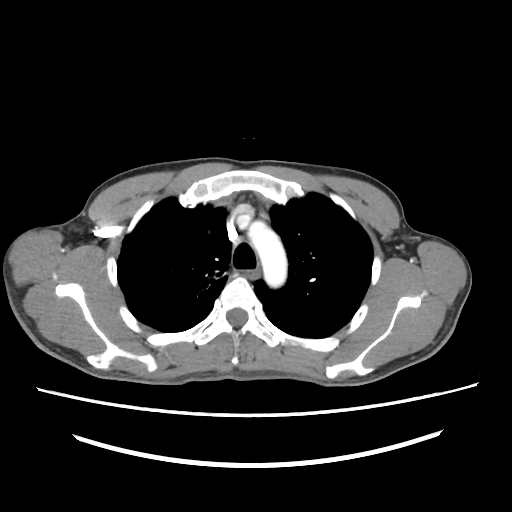 CT of the abdomen extending into the chest, slice through the chest. Axial slice 77/90. acquired on Aquilion ONE. scan has 13 labeled organs (that count is for the whole scan; organs this slice misses have no box)
On a slice this high in the chest, this dataset labels only the esophagus and the aorta, and each is boxed only where it is labeled; the heart, lungs and other chest structures are not labeled.
Coordinates as <box>x1,y1,x2,y2</box> in pixels.
aorta: <box>248,222,287,287</box>